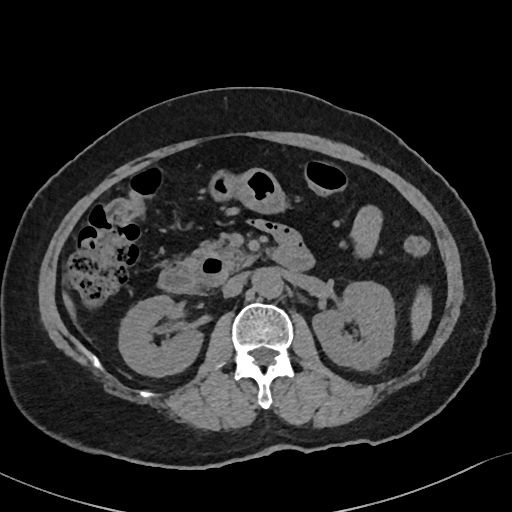 Abdominal CT. Axial slice 128/192. soft-tissue window (W 400 / L 40). scan has 15 labeled organs (counted over the whole 3D scan, not this slice; an organ is boxed only where this slice passes through it)
<organs><organ name="liver" x1="63" y1="293" x2="73" y2="318"/><organ name="pancreas" x1="187" y1="241" x2="258" y2="270"/><organ name="right kidney" x1="119" y1="296" x2="204" y2="377"/><organ name="stomach" x1="208" y1="168" x2="286" y2="213"/><organ name="inferior vena cava" x1="221" y1="273" x2="246" y2="297"/><organ name="aorta" x1="254" y1="268" x2="284" y2="299"/><organ name="duodenum" x1="157" y1="230" x2="311" y2="292"/><organ name="left kidney" x1="312" y1="283" x2="394" y2="370"/><organ name="spleen" x1="410" y1="287" x2="431" y2="341"/></organs>